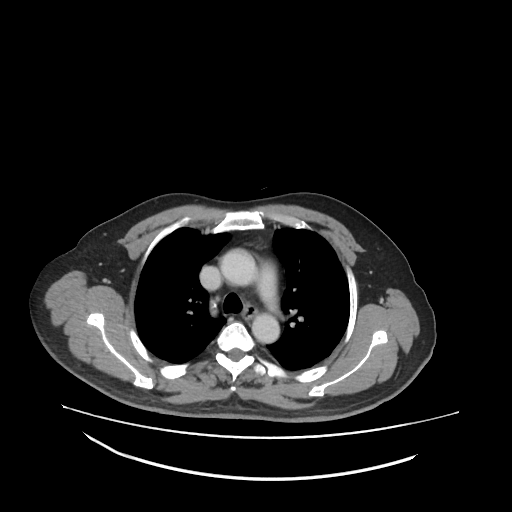
Chest-level CT slice, above the liver and spleen. axial view. 66-year-old male patient
At this level of the chest this dataset labels only the esophagus and the aorta, and each is boxed only where it is labeled; the heart and lungs are never labeled.
<organs><organ name="esophagus" x1="243" y1="304" x2="257" y2="319"/><organ name="aorta" x1="220" y1="249" x2="255" y2="284"/><organ name="aorta" x1="252" y1="316" x2="278" y2="342"/></organs>